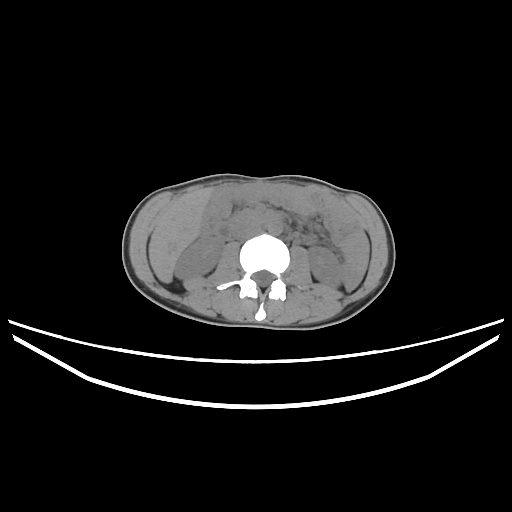

CT, abdomen/pelvis — axial view — 512x512 px — 31-year-old female patient
Boxes are (x1, y1, x2, y2) in pixels.
Organ bounding boxes:
- inferior vena cava: (232, 222, 261, 240)
- right kidney: (174, 236, 224, 279)
- liver: (148, 189, 211, 283)
- left kidney: (307, 247, 342, 287)
- aorta: (267, 221, 282, 235)
- duodenum: (213, 211, 283, 240)